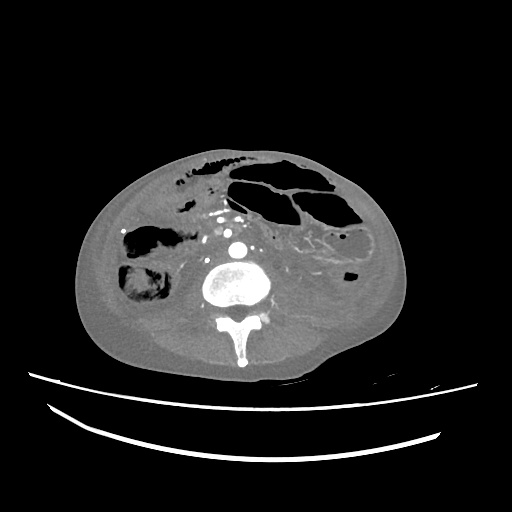
Abdominal CT — axial view — 512x512 px — Aquilion ONE scanner — 15 organs annotated in this scan (counted over the whole 3D scan, not this slice; an organ is boxed only where this slice passes through it)
Box edges are left/top/right/bottom in pixels. 2 labeled organs on this slice — aorta at left=228, top=241, right=247, bottom=258; inferior vena cava at left=209, top=249, right=226, bottom=264.